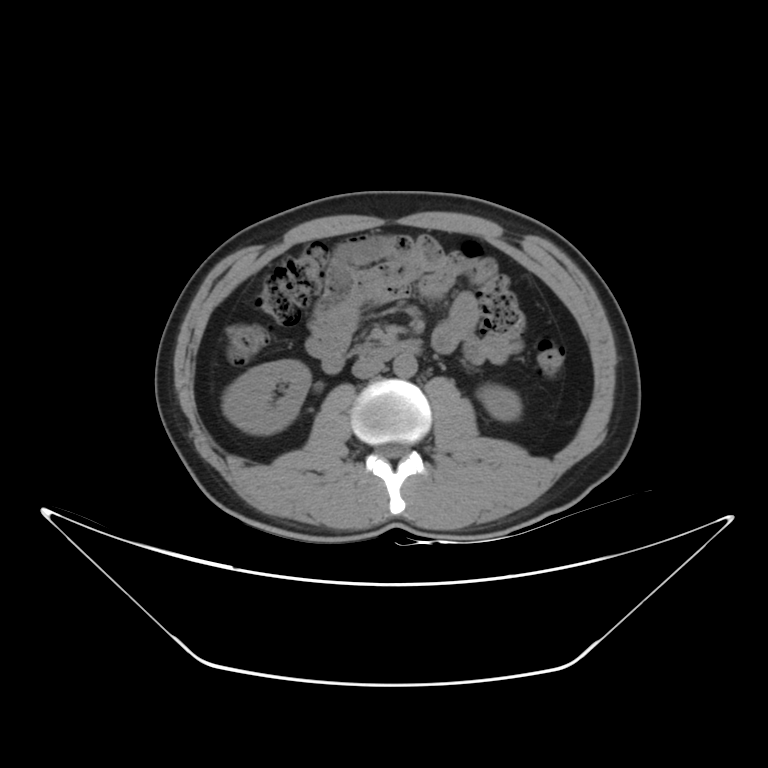 Computed tomography, abdomen · Axial slice 61/96
Organ boxes in pixel coordinates; each row gives the top-left (x1, y1) and bottom-right (x2, y2) corners.
| organ | x1 | y1 | x2 | y2 |
|---|---|---|---|---|
| right kidney | 222 | 360 | 311 | 434 |
| duodenum | 322 | 340 | 420 | 373 |
| left kidney | 477 | 385 | 520 | 420 |
| inferior vena cava | 352 | 356 | 384 | 377 |
| aorta | 392 | 355 | 417 | 377 |